CT, abdomen/pelvis; axial view; soft-tissue window; Brilliance16 scanner
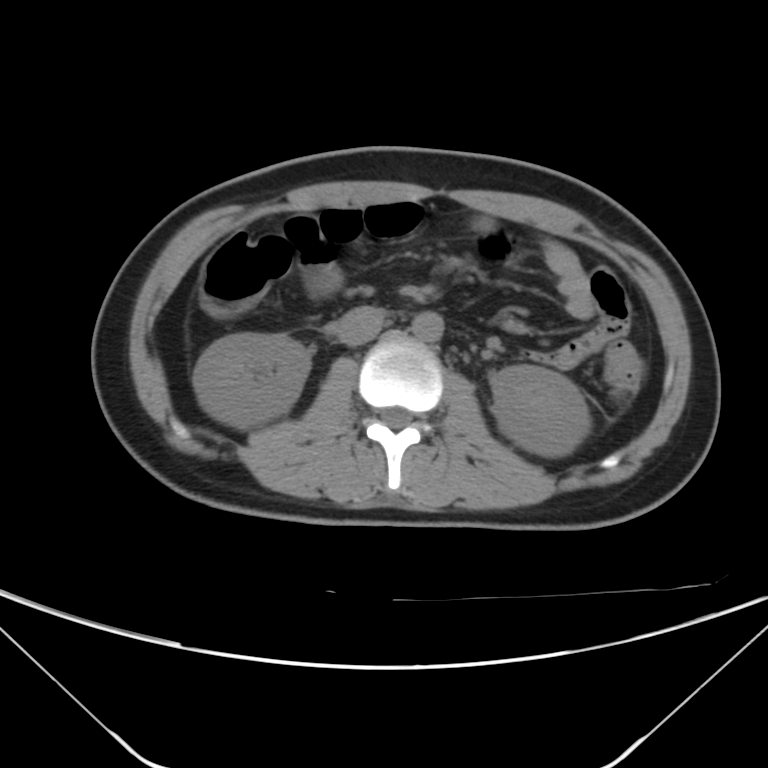 Organ boxes in pixel coordinates; each row gives the top-left (x1, y1) and bottom-right (x2, y2) corners.
| organ | x1 | y1 | x2 | y2 |
|---|---|---|---|---|
| aorta | 412 | 311 | 443 | 341 |
| left kidney | 491 | 364 | 590 | 456 |
| right kidney | 192 | 334 | 310 | 429 |
| inferior vena cava | 337 | 306 | 385 | 346 |